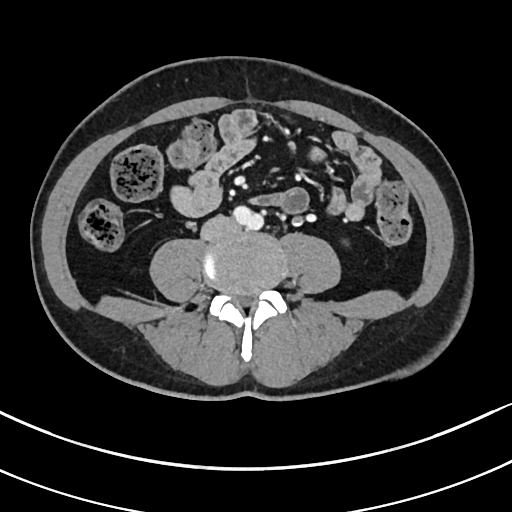

Computed tomography, abdomen — axial plane, index 101 — soft-tissue window (W 400 / L 40)
Coordinates as <box>x1,y1,x2,y2</box> in pixels.
Organ bounding boxes:
- inferior vena cava: <box>201,215,236,240</box>
- aorta: <box>233,206,263,230</box>